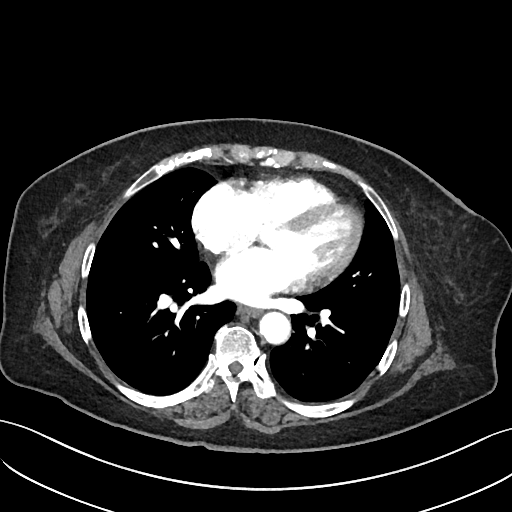 Abdominal CT; this slice is in the lower chest, just above the liver; axial view; 512x512 px
No part of the heart or lungs is labeled in this dataset, so neither has a box here.
{"organs":{"aorta":[259,312,290,344],"esophagus":[238,307,259,317]}}